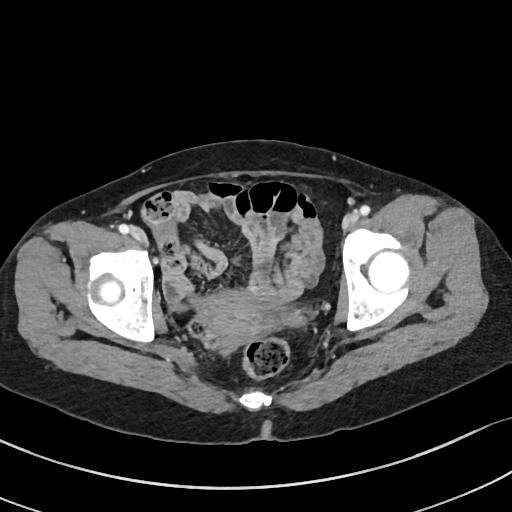
Computed tomography, abdomen; axial view; acquired on SOMATOM Force
Boxes: x1 y1 x2 y2 (pixel coords, space-separated). The annotated organs in this slice are: prostate/uterus at 197 288 266 342.